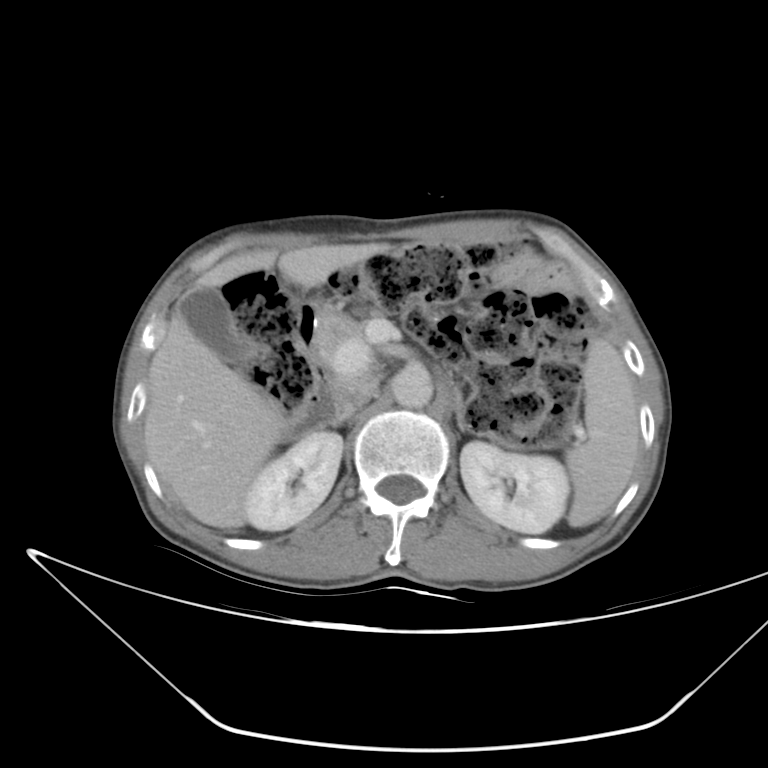 CT abdomen. Axial slice 40/104. 768x768 px. scan has 13 labeled organs (counted over the whole 3D scan, not this slice; an organ is boxed only where this slice passes through it)
<organs><organ name="spleen" x1="566" y1="338" x2="639" y2="526"/><organ name="right kidney" x1="244" y1="429" x2="344" y2="532"/><organ name="left kidney" x1="460" y1="441" x2="568" y2="532"/><organ name="gall bladder" x1="176" y1="287" x2="250" y2="366"/><organ name="liver" x1="144" y1="243" x2="397" y2="529"/><organ name="aorta" x1="389" y1="361" x2="432" y2="408"/><organ name="inferior vena cava" x1="333" y1="377" x2="383" y2="422"/><organ name="pancreas" x1="314" y1="314" x2="373" y2="396"/><organ name="left adrenal gland" x1="447" y1="388" x2="465" y2="440"/><organ name="duodenum" x1="282" y1="304" x2="331" y2="438"/></organs>